CT of the abdomen extending into the chest, slice through the chest. axial view. acquired on Aquilion ONE
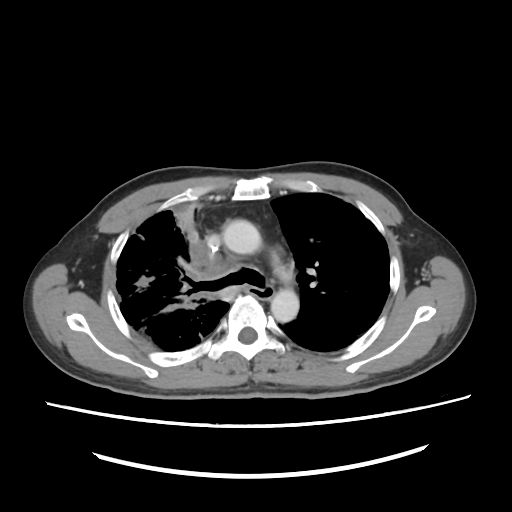
On a slice this high in the chest, this dataset labels only the esophagus and the aorta, and each is boxed only where it is labeled; the heart, lungs and other chest structures are not labeled.
<organs><organ name="aorta" x1="223" y1="218" x2="264" y2="253"/><organ name="aorta" x1="268" y1="289" x2="298" y2="323"/></organs>